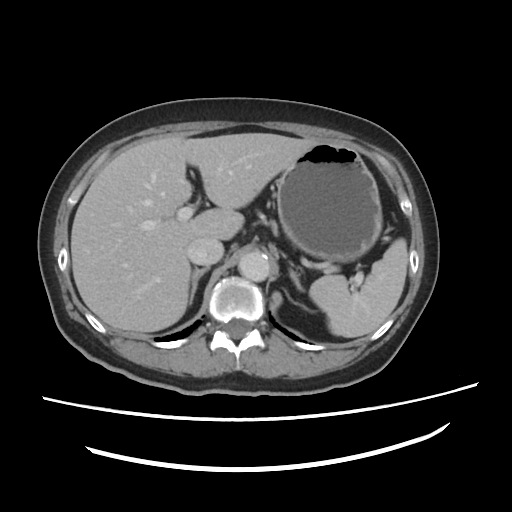 CT abdomen · Axial slice 73/128 · abdomen soft-tissue window · 512x512 px
<organs><organ name="spleen" x1="308" y1="238" x2="407" y2="337"/><organ name="liver" x1="71" y1="133" x2="319" y2="331"/><organ name="stomach" x1="276" y1="140" x2="382" y2="262"/><organ name="aorta" x1="237" y1="252" x2="271" y2="281"/><organ name="inferior vena cava" x1="186" y1="238" x2="223" y2="264"/><organ name="right adrenal gland" x1="189" y1="267" x2="210" y2="304"/><organ name="left adrenal gland" x1="289" y1="269" x2="305" y2="291"/></organs>